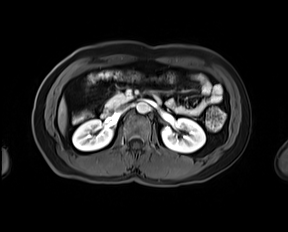
MRI, abdomen; axial plane, index 19; percentile-normalized; 288x232 px; acquired on Prisma
{"organs":{"inferior vena cava":[117,105,129,114],"liver":[58,98,67,133],"duodenum":[101,95,161,117],"pancreas":[105,93,131,108],"left kidney":[161,118,205,152],"aorta":[136,102,149,113],"right kidney":[72,119,113,150]}}